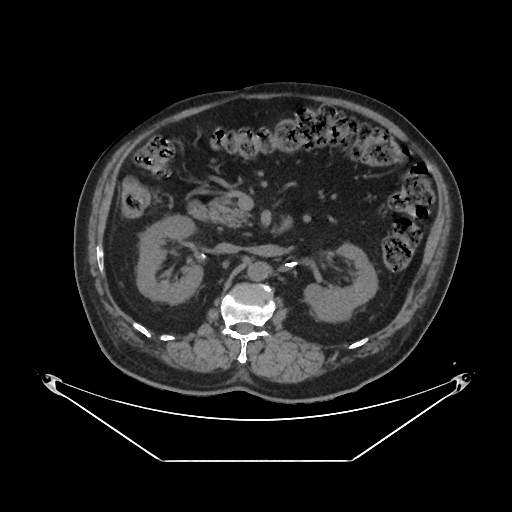 CT abdomen — axial plane, index 225 — soft-tissue window (W 400 / L 40) — 512x512 px
<organs><organ name="right kidney" x1="137" y1="215" x2="203" y2="304"/><organ name="left kidney" x1="303" y1="244" x2="377" y2="322"/><organ name="aorta" x1="247" y1="262" x2="268" y2="281"/><organ name="inferior vena cava" x1="215" y1="243" x2="240" y2="253"/><organ name="pancreas" x1="209" y1="196" x2="251" y2="228"/><organ name="duodenum" x1="192" y1="205" x2="210" y2="221"/></organs>